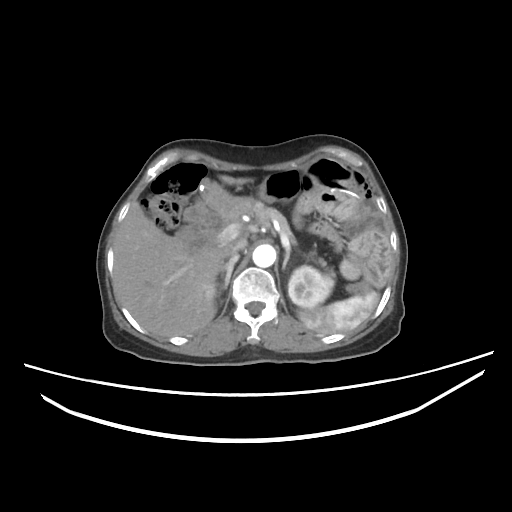

Computed tomography, abdomen · axial view · W/L 400/40 HU · 63-year-old female patient
<organs><organ name="spleen" x1="299" y1="292" x2="378" y2="331"/><organ name="right kidney" x1="205" y1="286" x2="217" y2="298"/><organ name="left kidney" x1="288" y1="265" x2="331" y2="306"/><organ name="liver" x1="114" y1="175" x2="252" y2="336"/><organ name="stomach" x1="310" y1="160" x2="356" y2="205"/><organ name="aorta" x1="253" y1="244" x2="276" y2="267"/><organ name="inferior vena cava" x1="226" y1="239" x2="247" y2="256"/><organ name="pancreas" x1="237" y1="201" x2="334" y2="276"/><organ name="right adrenal gland" x1="223" y1="254" x2="239" y2="287"/><organ name="left adrenal gland" x1="281" y1="247" x2="291" y2="271"/><organ name="duodenum" x1="177" y1="205" x2="222" y2="252"/></organs>